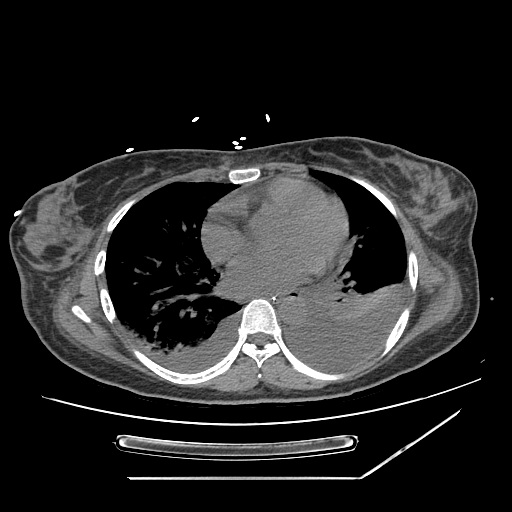

Abdominal CT. axial view. 512x512 px
Bounding boxes in pixels, one row per box: x1, y1 is the top-left corner and x2, y2 the bottom-right.
| organ | x1 | y1 | x2 | y2 |
|---|---|---|---|---|
| stomach | 279 | 299 | 284 | 303 |
| aorta | 278 | 297 | 306 | 323 |
| esophagus | 258 | 290 | 299 | 300 |